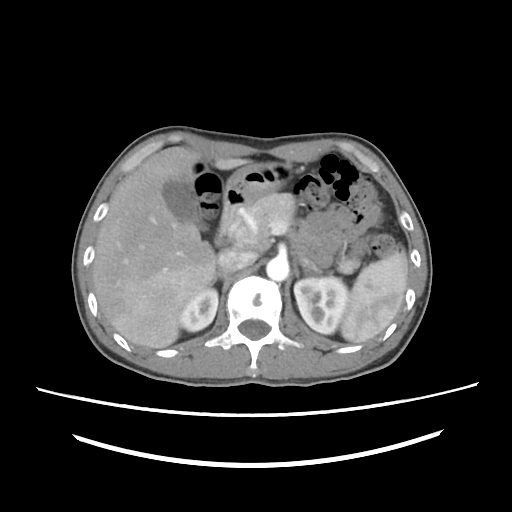 CT abdomen; axial view; 512x512 px; scan has 13 labeled organs (a whole-scan count: organs this slice does not pass through have no box)
{"organs":{"spleen":[337,248,407,343],"right kidney":[180,288,217,331],"left kidney":[295,277,346,333],"gall bladder":[162,177,211,231],"liver":[92,146,259,348],"stomach":[222,161,298,216],"aorta":[266,257,288,281],"inferior vena cava":[218,250,257,274],"pancreas":[228,191,304,254],"right adrenal gland":[210,275,229,287],"left adrenal gland":[293,256,322,279],"duodenum":[213,216,234,248]}}